CT abdomen · axial plane, index 203 · soft-tissue window · SOMATOM Force scanner
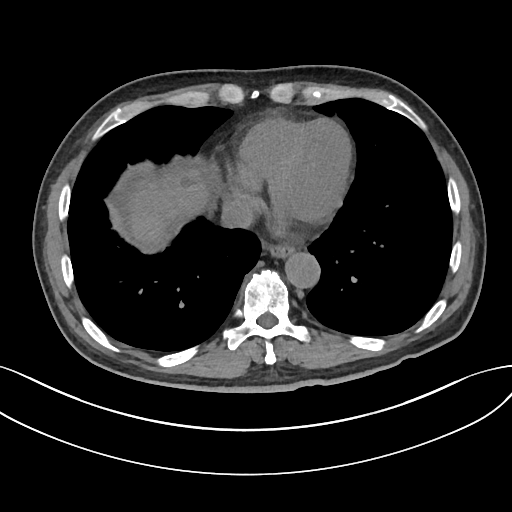 Bounding boxes in pixels, one row per box: x1, y1 is the top-left corner and x2, y2 the bottom-right.
| organ | x1 | y1 | x2 | y2 |
|---|---|---|---|---|
| esophagus | 269 | 245 | 295 | 259 |
| liver | 129 | 167 | 211 | 249 |
| aorta | 285 | 253 | 320 | 288 |
| inferior vena cava | 221 | 196 | 254 | 229 |